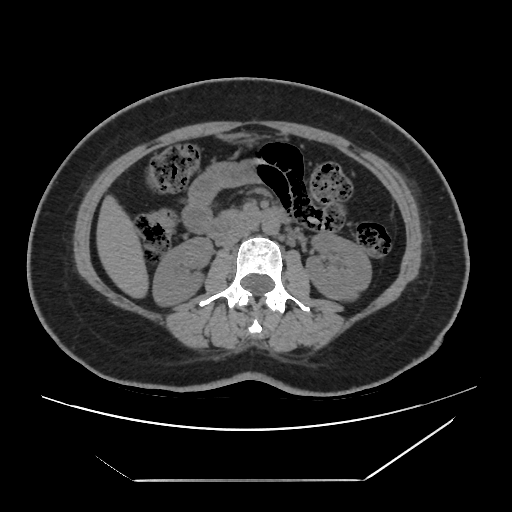 CT, abdomen/pelvis. axial plane, index 194. abdomen soft-tissue window. 512x512 px
Each box given as x1,y1,x2,y2.
pancreas: x1=220, y1=210, x2=244, y2=218
inferior vena cava: x1=217, y1=227, x2=254, y2=247
right kidney: x1=152, y1=237, x2=212, y2=305
left kidney: x1=306, y1=232, x2=371, y2=300
duodenum: x1=206, y1=208, x2=287, y2=241
aorta: x1=262, y1=218, x2=279, y2=234
liver: x1=96, y1=195, x2=148, y2=298